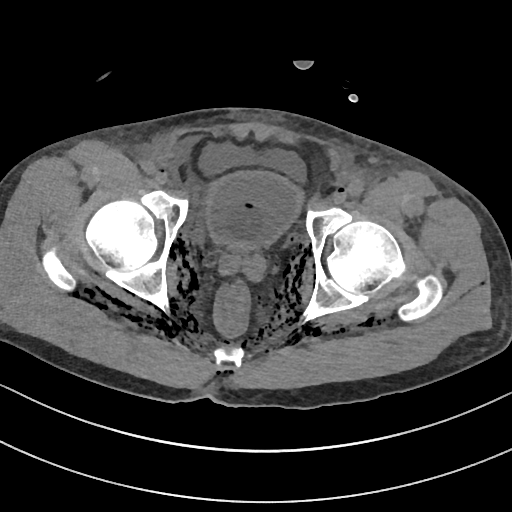

Abdominal CT; Axial slice 43/252; 512x512 px
Boxes are (x1, y1, x2, y2) in pixels.
Organ bounding boxes:
- bladder: (205, 172, 302, 248)